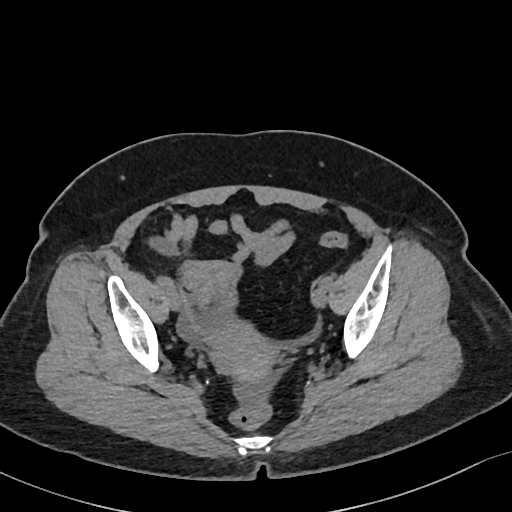
CT, abdomen/pelvis — axial view — soft-tissue window (W 400 / L 40)
Boxes are (x1, y1, x2, y2) in pixels.
prostate/uterus: (208, 324, 275, 381)